CT abdomen — axial view — Aquilion ONE scanner
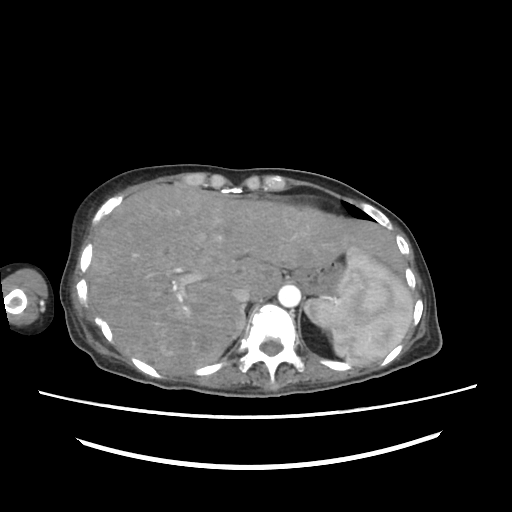

Boxes are (x1, y1, x2, y2) in pixels.
Organ bounding boxes:
- spleen: (305, 246, 412, 364)
- stomach: (292, 259, 346, 296)
- inferior vena cava: (232, 286, 251, 304)
- liver: (88, 184, 407, 373)
- right adrenal gland: (237, 311, 246, 338)
- aorta: (278, 285, 300, 307)